Computed tomography, abdomen. axial plane, index 20. abdomen soft-tissue window. scan has 15 labeled organs (counted over the whole 3D scan, not this slice; an organ is boxed only where this slice passes through it)
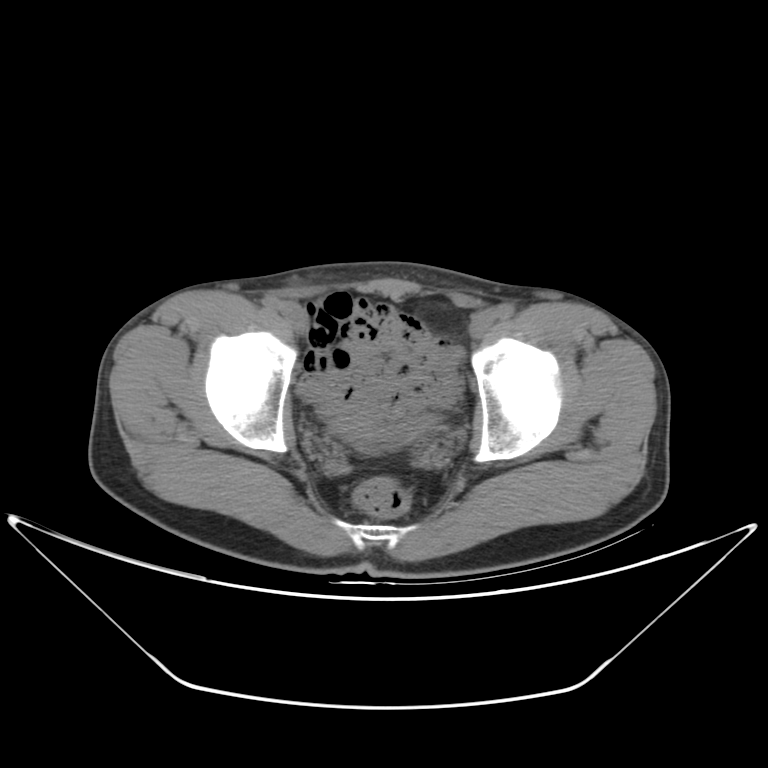
Bounding boxes in pixels, one row per box: x1, y1 is the top-left corner and x2, y2 the bottom-right.
| organ | x1 | y1 | x2 | y2 |
|---|---|---|---|---|
| bladder | 328 | 413 | 435 | 440 |